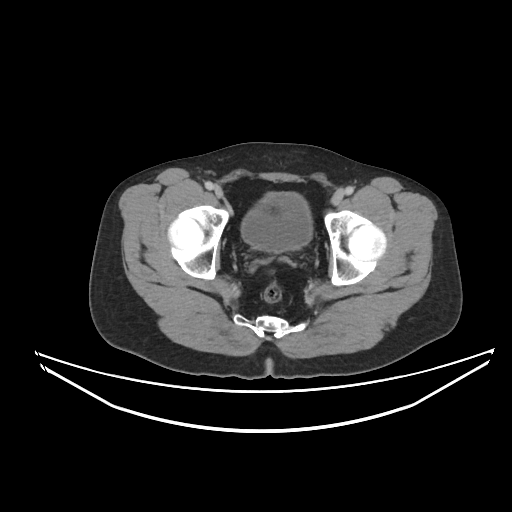

CT abdomen. Axial slice 16/131. 512x512 px
<organs><organ name="bladder" x1="241" y1="192" x2="312" y2="251"/></organs>